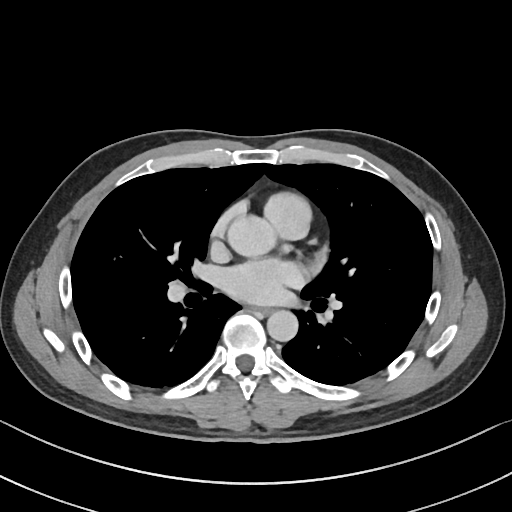

Chest-level CT slice, above the liver and spleen · axial view · soft-tissue window · 512x512 px · SOMATOM Force scanner · 15 organs annotated in this scan (counted over the whole 3D scan, not this slice; an organ is boxed only where this slice passes through it)
At this level of the chest this dataset labels only the esophagus and the aorta, and each is boxed only where it is labeled; the heart and lungs are never labeled.
Boxes: x1:y1:x2:y2 in pixels.
aorta: 226:214:277:256
aorta: 266:310:298:341
esophagus: 253:307:272:315